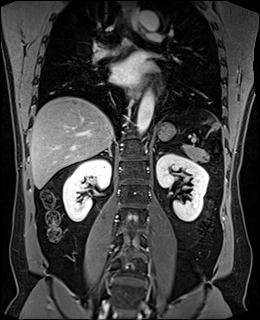

MRI, abdomen. coronal acquisition. percentile-normalized
Organ boxes in pixel coordinates; each row gives the top-left (x1, y1) and bottom-right (x2, y2) corners.
| organ | x1 | y1 | x2 | y2 |
|---|---|---|---|---|
| spleen | 212 | 123 | 219 | 128 |
| right kidney | 63 | 159 | 110 | 221 |
| left kidney | 156 | 153 | 208 | 221 |
| esophagus | 130 | 8 | 143 | 33 |
| esophagus | 129 | 85 | 141 | 98 |
| liver | 29 | 96 | 114 | 188 |
| stomach | 158 | 122 | 175 | 140 |
| aorta | 136 | 91 | 154 | 134 |
| aorta | 138 | 11 | 158 | 30 |
| pancreas | 180 | 144 | 207 | 161 |
| right adrenal gland | 99 | 146 | 111 | 156 |
| left adrenal gland | 156 | 153 | 161 | 158 |